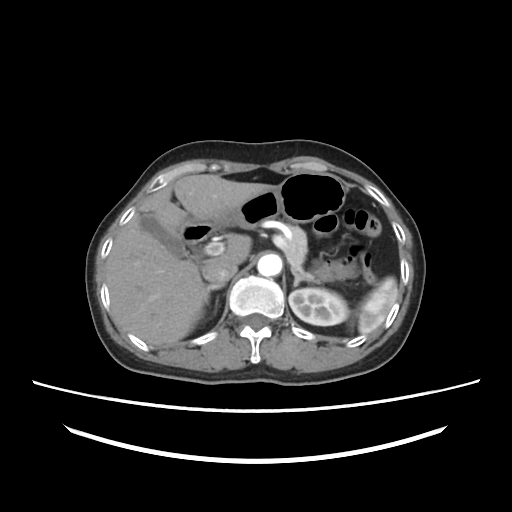

CT, abdomen/pelvis. axial view. W/L 400/40 HU. 512x512 px. 62-year-old female patient
Organ boxes in pixel coordinates; each row gives the top-left (x1, y1) and bottom-right (x2, y2) corners.
| organ | x1 | y1 | x2 | y2 |
|---|---|---|---|---|
| spleen | 358 | 277 | 397 | 333 |
| left kidney | 289 | 288 | 348 | 325 |
| gall bladder | 140 | 213 | 188 | 257 |
| liver | 106 | 174 | 274 | 345 |
| stomach | 212 | 172 | 345 | 228 |
| aorta | 257 | 254 | 281 | 276 |
| inferior vena cava | 202 | 258 | 237 | 283 |
| pancreas | 283 | 226 | 314 | 278 |
| right adrenal gland | 204 | 283 | 224 | 311 |
| left adrenal gland | 292 | 271 | 320 | 286 |
| duodenum | 180 | 219 | 214 | 244 |